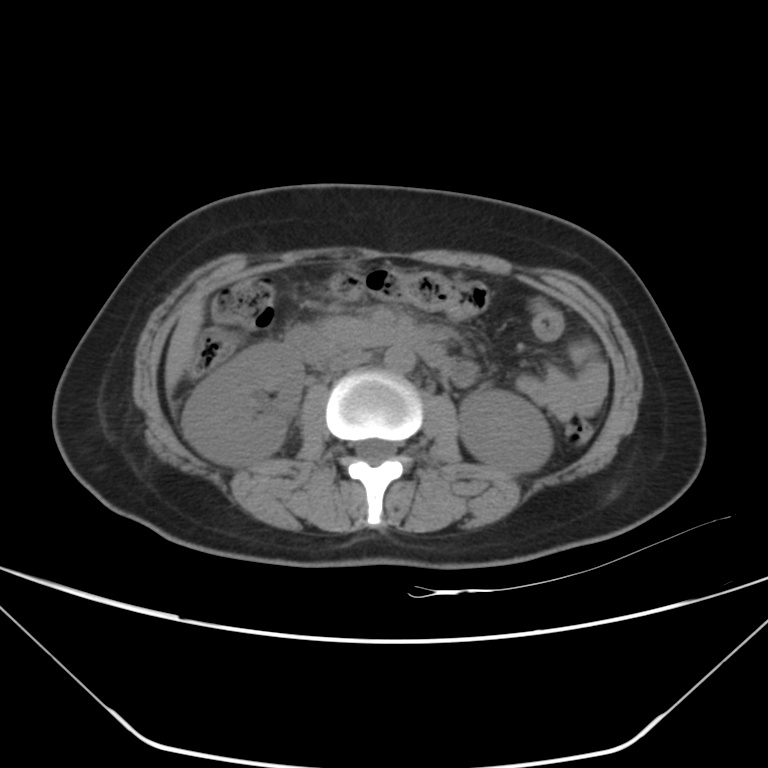

Computed tomography, abdomen · axial view · soft-tissue window · 768x768 px
Each box given as x1,y1,x2,y2. Labeled organs on this slice: left kidney at x1=458, y1=389, x2=552, y2=471, liver at x1=164, y1=293, x2=204, y2=391, pancreas at x1=318, y1=316, x2=373, y2=346, inferior vena cava at x1=328, y1=348, x2=369, y2=371, right kidney at x1=181, y1=342, x2=303, y2=464, aorta at x1=384, y1=345, x2=415, y2=373, duodenum at x1=286, y1=326, x2=449, y2=368.